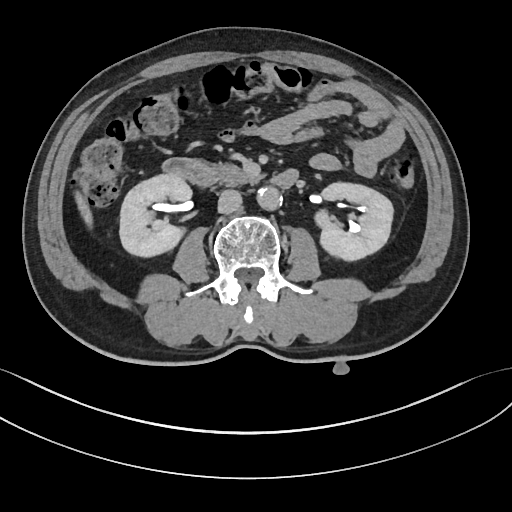

CT abdomen; axial view; soft-tissue window; 15 organs annotated in this scan (counted over the whole 3D scan, not this slice; an organ is boxed only where this slice passes through it)
Boxes: x1 y1 x2 y2 (pixel coords, space-separated).
Organ bounding boxes:
- right kidney: 119 175 191 257
- left kidney: 314 182 393 260
- liver: 75 192 92 226
- aorta: 257 186 281 210
- inferior vena cava: 217 189 241 213
- pancreas: 212 163 261 185
- duodenum: 162 158 298 188